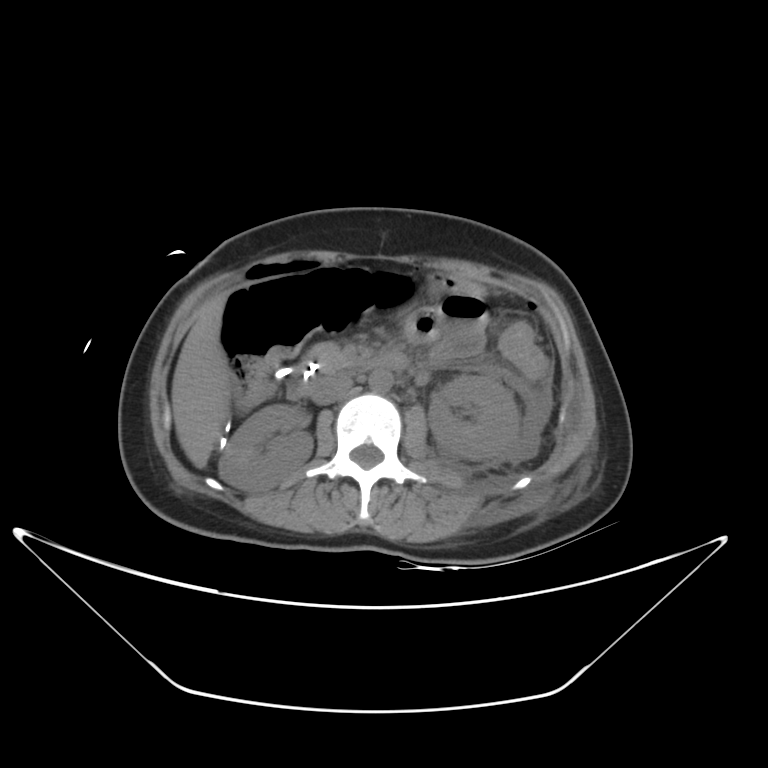
CT, abdomen/pelvis — axial view
Box edges are left/top/right/bottom in pixels.
Organ bounding boxes:
- right kidney: left=218, top=405, right=313, bottom=491
- left kidney: left=428, top=374, right=519, bottom=460
- liver: left=172, top=292, right=230, bottom=468
- stomach: left=429, top=272, right=484, bottom=296
- aorta: left=369, top=369, right=393, bottom=392
- inferior vena cava: left=310, top=373, right=353, bottom=404
- pancreas: left=311, top=343, right=353, bottom=373
- duodenum: left=276, top=351, right=408, bottom=398